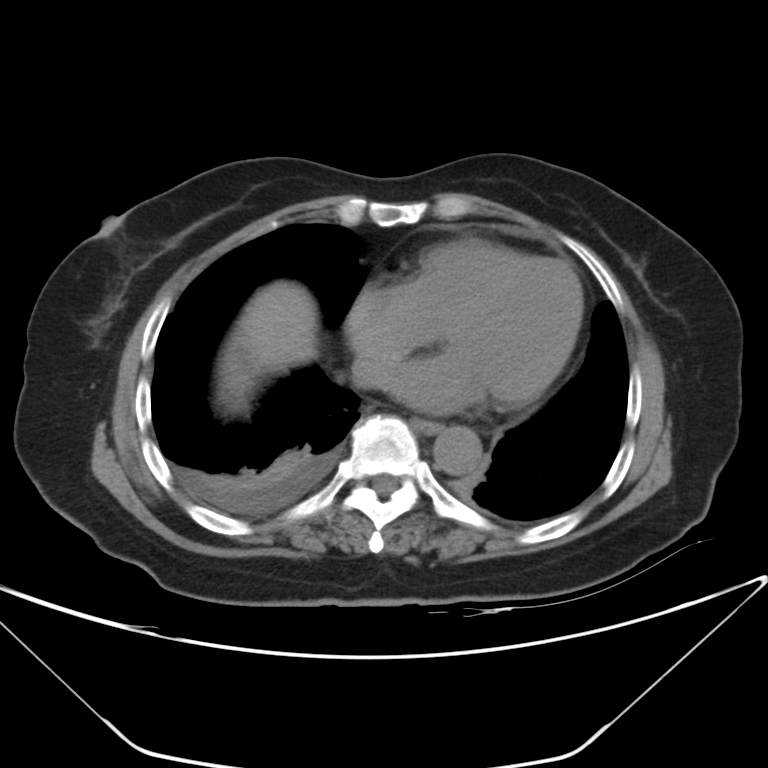

CT abdomen — axial plane, index 86 — 768x768 px
Bounding boxes in pixels, one row per box: x1, y1 is the top-left corner and x2, y2 the bottom-right.
| organ | x1 | y1 | x2 | y2 |
|---|---|---|---|---|
| liver | 218 | 281 | 318 | 410 |
| aorta | 433 | 426 | 482 | 475 |
| inferior vena cava | 351 | 354 | 396 | 388 |
| esophagus | 416 | 420 | 441 | 433 |